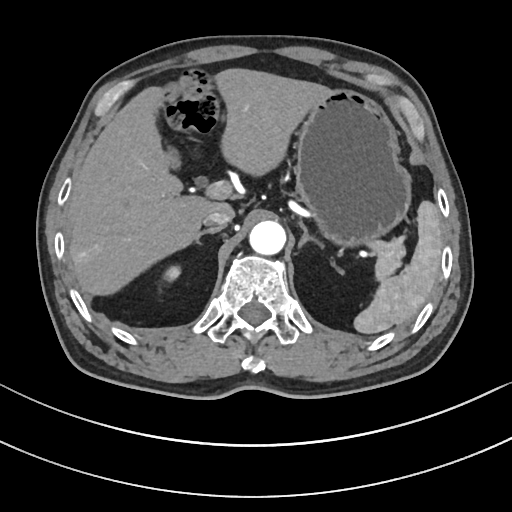 Computed tomography, abdomen; axial view; W/L 400/40 HU; 512x512 px; 15 organs annotated in this scan (that count is for the whole scan; organs this slice misses have no box)
Each box given as x1,y1,x2,y2. The annotated organs in this slice are: spleen at x1=352, y1=202, x2=442, y2=334, right kidney at x1=167, y1=267, x2=180, y2=279, liver at x1=66, y1=69, x2=327, y2=294, stomach at x1=295, y1=90, x2=412, y2=245, aorta at x1=248, y1=221, x2=285, y2=255, inferior vena cava at x1=203, y1=207, x2=234, y2=227, pancreas at x1=375, y1=243, x2=403, y2=276, right adrenal gland at x1=197, y1=227, x2=222, y2=240, left adrenal gland at x1=299, y1=225, x2=325, y2=250.